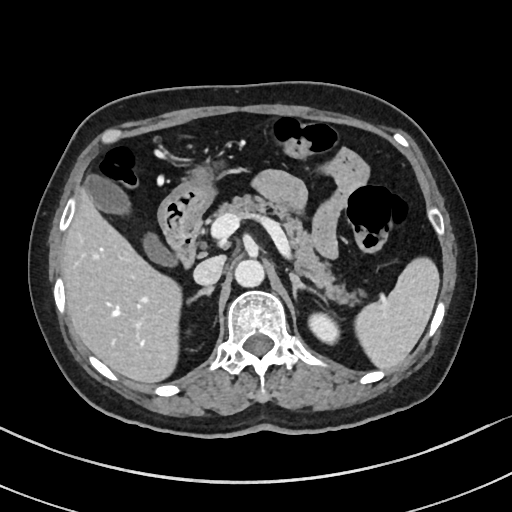
CT abdomen. axial view
<organs><organ name="spleen" x1="354" y1="257" x2="439" y2="369"/><organ name="left kidney" x1="308" y1="312" x2="340" y2="344"/><organ name="gall bladder" x1="84" y1="174" x2="175" y2="265"/><organ name="liver" x1="61" y1="186" x2="181" y2="383"/><organ name="stomach" x1="157" y1="164" x2="215" y2="248"/><organ name="aorta" x1="234" y1="259" x2="264" y2="287"/><organ name="inferior vena cava" x1="193" y1="255" x2="225" y2="286"/><organ name="pancreas" x1="214" y1="194" x2="357" y2="303"/><organ name="right adrenal gland" x1="188" y1="286" x2="213" y2="303"/><organ name="left adrenal gland" x1="289" y1="272" x2="328" y2="304"/><organ name="duodenum" x1="171" y1="223" x2="200" y2="267"/></organs>